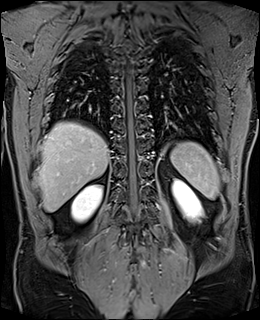
Abdominal MR. coronal plane, index 26. percentile-normalized. Prisma scanner
Boxes: x1 y1 x2 y2 (pixel coords, space-separated).
liver: 38 122 109 211
spleen: 170 142 219 199
right kidney: 71 185 102 222
left kidney: 172 179 202 221